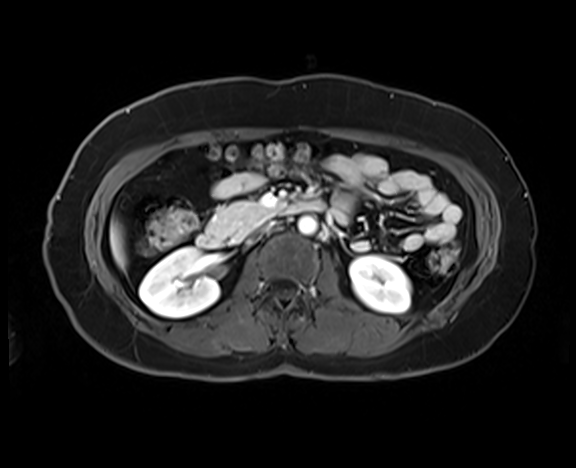 Magnetic resonance imaging, abdomen. axial view. 1st–99th percentile window. 576x468 px
Coordinates as <box>x1,y1,x2,y2</box> in pixels.
Organ bounding boxes:
- right kidney: <box>139,247,219,317</box>
- aorta: <box>298,217,316,234</box>
- pancreas: <box>208,201,275,238</box>
- left kidney: <box>350,256,411,313</box>
- liver: <box>109,219,126,269</box>
- duodenum: <box>196,199,324,247</box>
- inferior vena cava: <box>257,221,275,233</box>